Computed tomography, abdomen; axial view; 15 organs annotated in this scan (counted over the whole 3D scan, not this slice; an organ is boxed only where this slice passes through it)
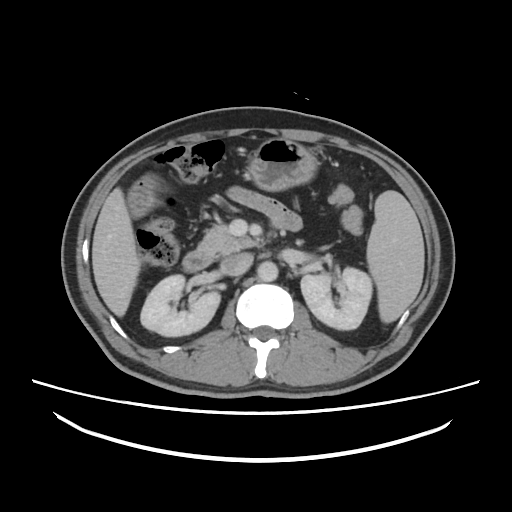

Boxes: x1:y1:x2:y2 in pixels. Labeled organs on this slice: spleen at 366:190:424:322, right kidney at 140:274:220:336, left kidney at 300:267:372:329, duodenum at 182:251:213:271, liver at 92:188:140:316, aorta at 257:261:278:281, inferior vena cava at 220:252:253:276, stomach at 248:138:317:191, pancreas at 197:224:257:254.